Lower-chest slice from an abdominal CT, just above the liver and spleen. axial view. W/L 400/40 HU. 512x512 px
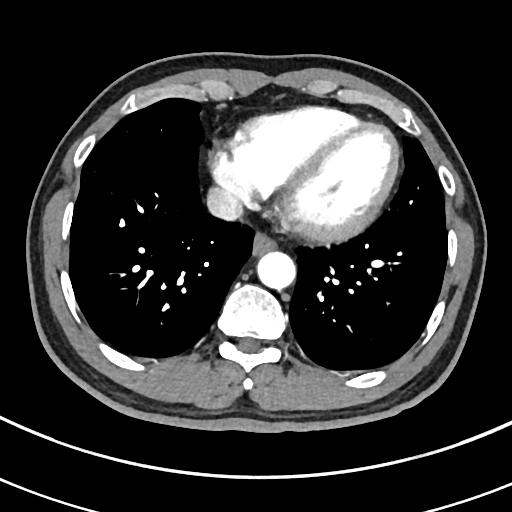
No part of the heart or lungs is labeled in this dataset, so neither has a box here.
Organ boxes in pixel coordinates; each row gives the top-left (x1, y1) and bottom-right (x2, y2) corners.
| organ | x1 | y1 | x2 | y2 |
|---|---|---|---|---|
| esophagus | 251 | 233 | 275 | 256 |
| aorta | 257 | 252 | 296 | 290 |
| inferior vena cava | 207 | 187 | 243 | 221 |